CT, abdomen/pelvis; axial view; abdomen soft-tissue window; 512x512 px
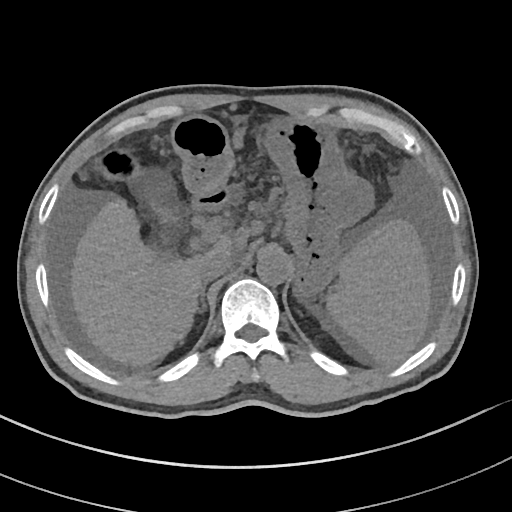 One row per box, in pixels: columns x1 and y1 give the top-left corner, x2 and y2 the bottom-right.
| organ | x1 | y1 | x2 | y2 |
|---|---|---|---|---|
| spleen | 326 | 220 | 430 | 363 |
| gall bladder | 149 | 192 | 173 | 218 |
| liver | 71 | 198 | 232 | 365 |
| stomach | 171 | 116 | 373 | 297 |
| aorta | 257 | 249 | 291 | 285 |
| inferior vena cava | 198 | 252 | 233 | 283 |
| right adrenal gland | 194 | 287 | 206 | 313 |
| duodenum | 194 | 191 | 226 | 210 |